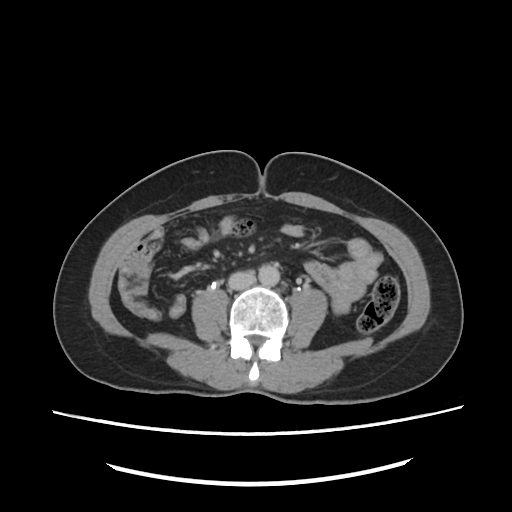

CT, abdomen/pelvis; axial view
Boxes: x1 y1 x2 y2 (pixel coords, space-separated). 2 labeled organs on this slice — aorta at 258 263 279 285; inferior vena cava at 228 271 256 291.